Abdominal CT reaching into the chest; this slice is in the chest · axial view
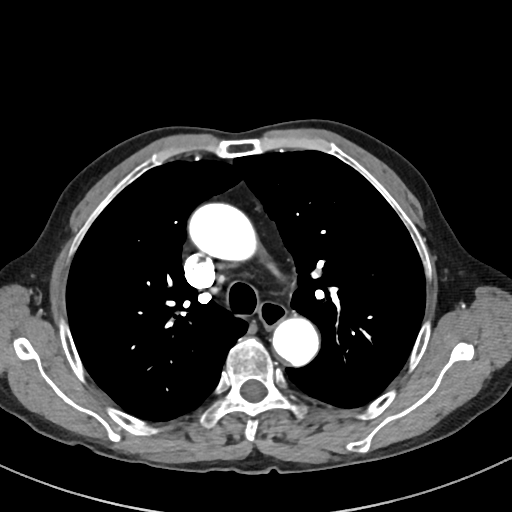 At this level of the chest this dataset labels only the esophagus and the aorta, and each is boxed only where it is labeled; the heart and lungs are never labeled.
Box edges are left/top/right/bottom in pixels.
aorta: left=189, top=204, right=261, bottom=263
aorta: left=271, top=314, right=319, bottom=364
esophagus: left=256, top=302, right=286, bottom=329